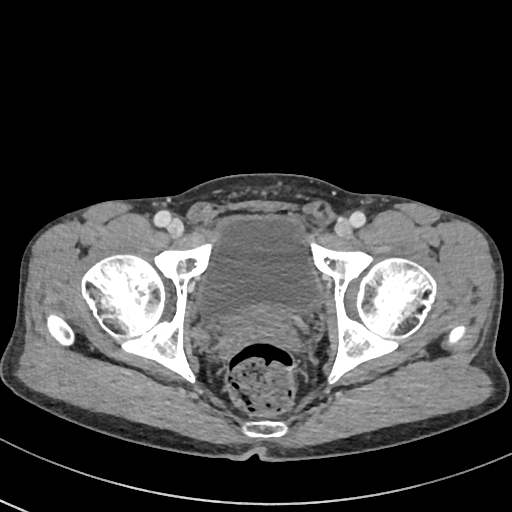
CT abdomen · axial plane, index 40 · soft-tissue window
{"organs":{"bladder":[195,214,323,323],"prostate/uterus":[238,308,282,331]}}